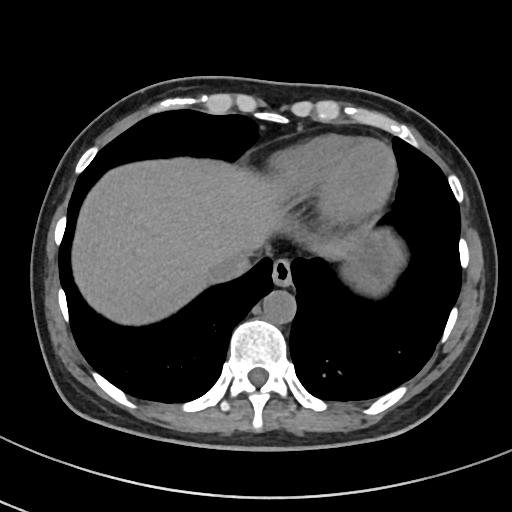 Computed tomography, abdomen · axial view · soft-tissue window · scan has 15 labeled organs (that count is for the whole scan; organs this slice misses have no box)
<organs><organ name="esophagus" x1="271" y1="259" x2="292" y2="286"/><organ name="liver" x1="72" y1="158" x2="374" y2="325"/><organ name="stomach" x1="341" y1="230" x2="404" y2="295"/><organ name="aorta" x1="263" y1="290" x2="295" y2="323"/><organ name="inferior vena cava" x1="209" y1="249" x2="252" y2="281"/></organs>